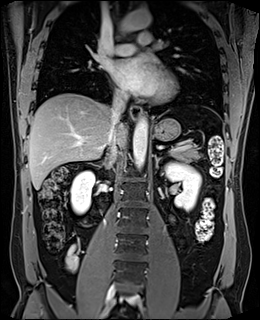 Magnetic resonance imaging, abdomen; coronal view; scan has 13 labeled organs (that count is for the whole scan; organs this slice misses have no box)
Boxes: x1:y1:x2:y2 in pixels. 10 labeled organs on this slice — right kidney at 70:171:95:214; left kidney at 164:162:201:211; esophagus at 130:105:142:120; liver at 28:93:126:189; stomach at 153:118:180:141; aorta at 133:117:147:168; aorta at 120:10:151:31; inferior vena cava at 107:94:127:154; pancreas at 170:148:201:162; right adrenal gland at 107:153:114:164; left adrenal gland at 154:155:162:168.